Computed tomography, abdomen — axial plane, index 111 — acquired on SOMATOM Force — 15 organs annotated in this scan (counted over the whole 3D scan, not this slice; an organ is boxed only where this slice passes through it)
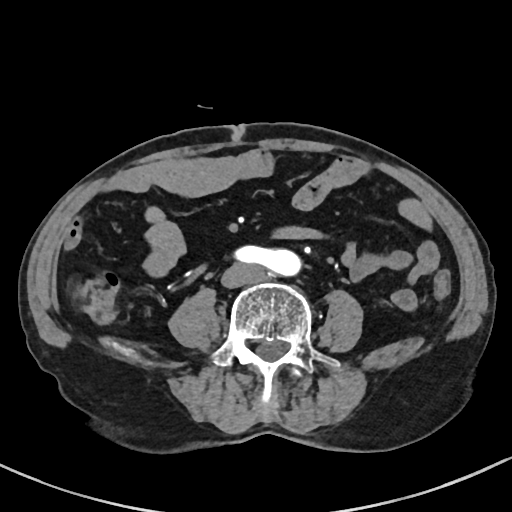

Boxes: x1:y1:x2:y2 in pixels.
aorta: 238:261:280:274
inferior vena cava: 222:263:265:287